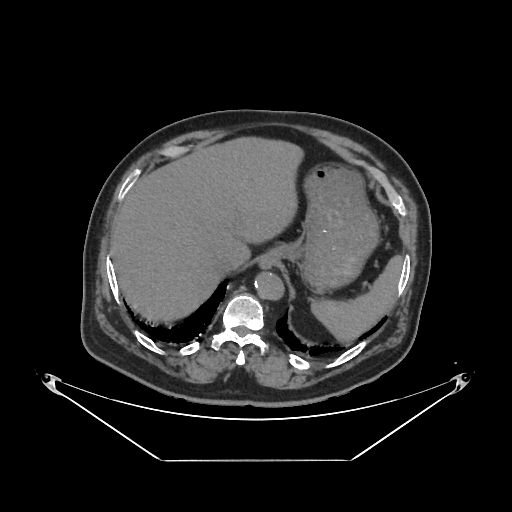

CT abdomen · Axial slice 294/353 · scan has 15 labeled organs (that count is for the whole scan; organs this slice misses have no box)
Bounding boxes in pixels, one row per box: x1, y1 is the top-left corner and x2, y2 the bottom-right.
| organ | x1 | y1 | x2 | y2 |
|---|---|---|---|---|
| spleen | 310 | 256 | 402 | 341 |
| esophagus | 259 | 258 | 271 | 269 |
| liver | 111 | 138 | 302 | 322 |
| stomach | 261 | 164 | 378 | 292 |
| aorta | 255 | 272 | 284 | 300 |
| inferior vena cava | 218 | 256 | 239 | 273 |